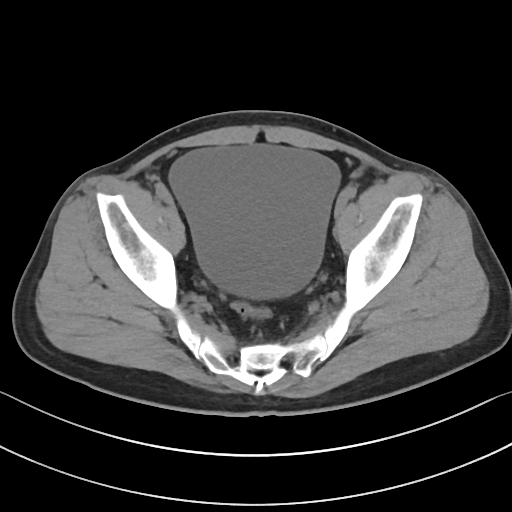

Computed tomography, abdomen. axial view. W/L 400/40 HU
Box edges are left/top/right/bottom in pixels.
bladder: left=169, top=146, right=339, bottom=298